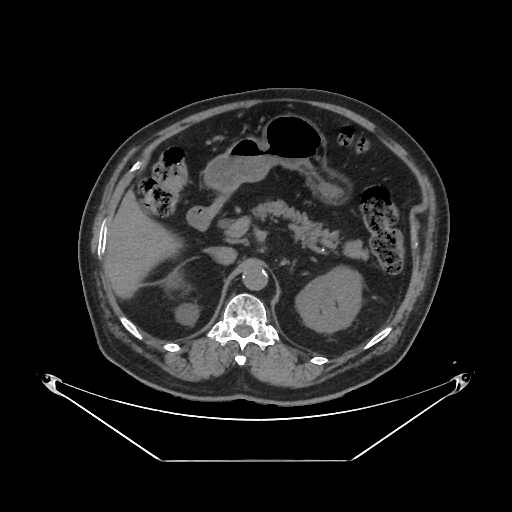 Abdominal CT. axial view. W/L 400/40 HU. 512x512 px. SOMATOM Force scanner
{"organs":{"right kidney":[164,270,197,323],"left kidney":[295,265,362,332],"liver":[106,190,182,298],"stomach":[204,114,342,202],"aorta":[242,264,267,290],"inferior vena cava":[209,247,236,264],"pancreas":[252,199,368,259],"left adrenal gland":[292,262,294,265],"duodenum":[186,194,228,230]}}